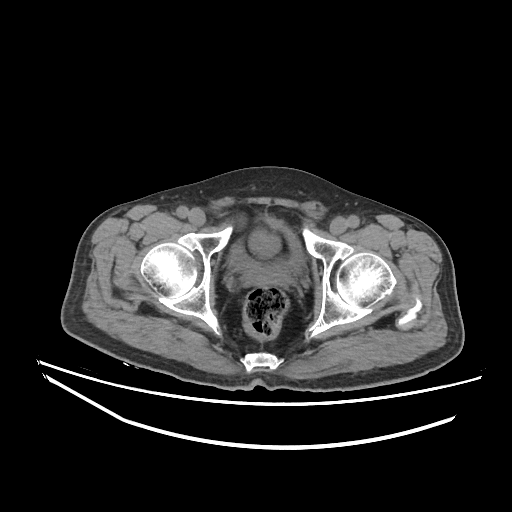

CT, abdomen/pelvis · axial view · 68-year-old male patient
Boxes: x1 y1 x2 y2 (pixel coords, space-separated).
prostate/uterus: 242 267 290 286
bladder: 228 219 305 272